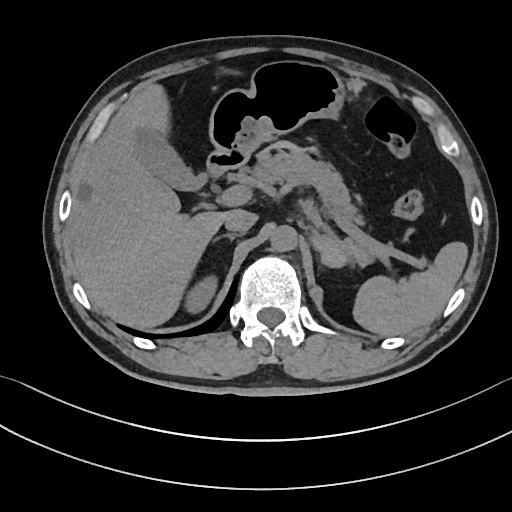
Computed tomography, abdomen — axial plane, index 172 — soft-tissue window — 512x512 px
Bounding boxes in pixels, one row per box: x1, y1 is the top-left corner and x2, y2 the bottom-right.
| organ | x1 | y1 | x2 | y2 |
|---|---|---|---|---|
| spleen | 355 | 241 | 468 | 336 |
| right kidney | 185 | 274 | 218 | 315 |
| gall bladder | 131 | 123 | 208 | 190 |
| liver | 66 | 86 | 229 | 329 |
| stomach | 208 | 60 | 342 | 161 |
| aorta | 270 | 224 | 297 | 251 |
| inferior vena cava | 225 | 211 | 258 | 232 |
| pancreas | 252 | 149 | 364 | 224 |
| right adrenal gland | 215 | 233 | 242 | 240 |
| duodenum | 206 | 152 | 244 | 175 |